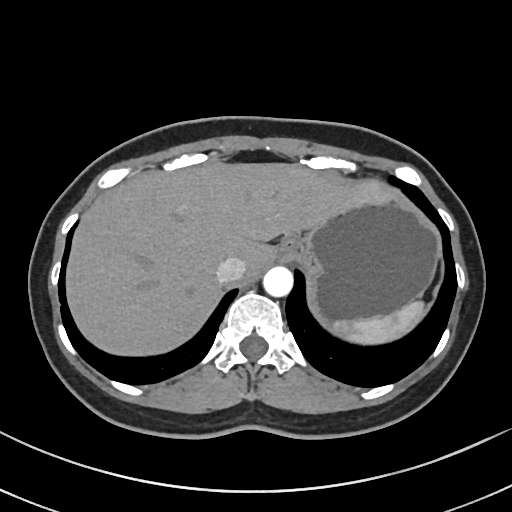

CT abdomen; axial plane, index 198; acquired on SOMATOM Force
Coordinates as <box>x1,y1,x2,y2</box> in pixels.
spleen: <box>331,301,425,344</box>
aorta: <box>263,266,293,296</box>
inferior vena cava: <box>216,257,246,282</box>
stomach: <box>280,193,439,322</box>
liver: <box>66,162,393,355</box>